CT, abdomen/pelvis. axial view. W/L 400/40 HU
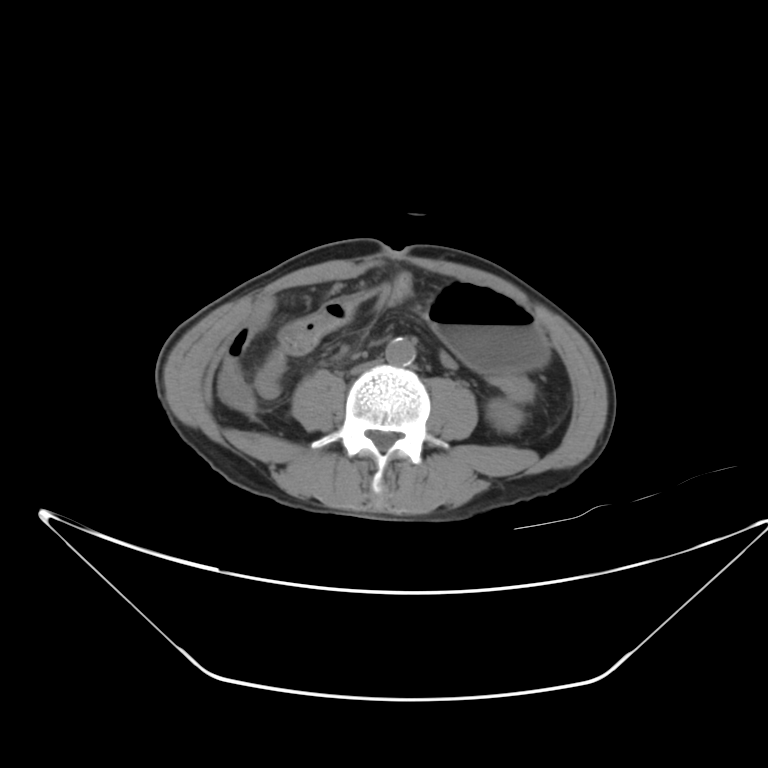
<organs><organ name="aorta" x1="383" y1="335" x2="416" y2="365"/><organ name="left kidney" x1="488" y1="398" x2="522" y2="432"/><organ name="inferior vena cava" x1="349" y1="361" x2="376" y2="376"/><organ name="stomach" x1="429" y1="284" x2="547" y2="370"/></organs>